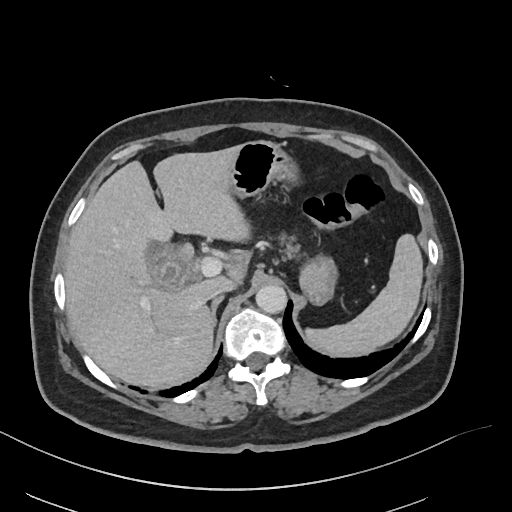
Computed tomography, abdomen — axial plane, index 186 — 512x512 px — SOMATOM Force scanner — scan has 15 labeled organs (counted over the whole 3D scan, not this slice; an organ is boxed only where this slice passes through it)
<organs><organ name="inferior vena cava" x1="210" y1="281" x2="235" y2="297"/><organ name="liver" x1="65" y1="146" x2="248" y2="388"/><organ name="stomach" x1="227" y1="140" x2="337" y2="305"/><organ name="gall bladder" x1="144" y1="239" x2="190" y2="289"/><organ name="right adrenal gland" x1="210" y1="294" x2="225" y2="331"/><organ name="spleen" x1="304" y1="233" x2="424" y2="358"/><organ name="aorta" x1="255" y1="285" x2="286" y2="313"/><organ name="pancreas" x1="275" y1="232" x2="299" y2="262"/></organs>